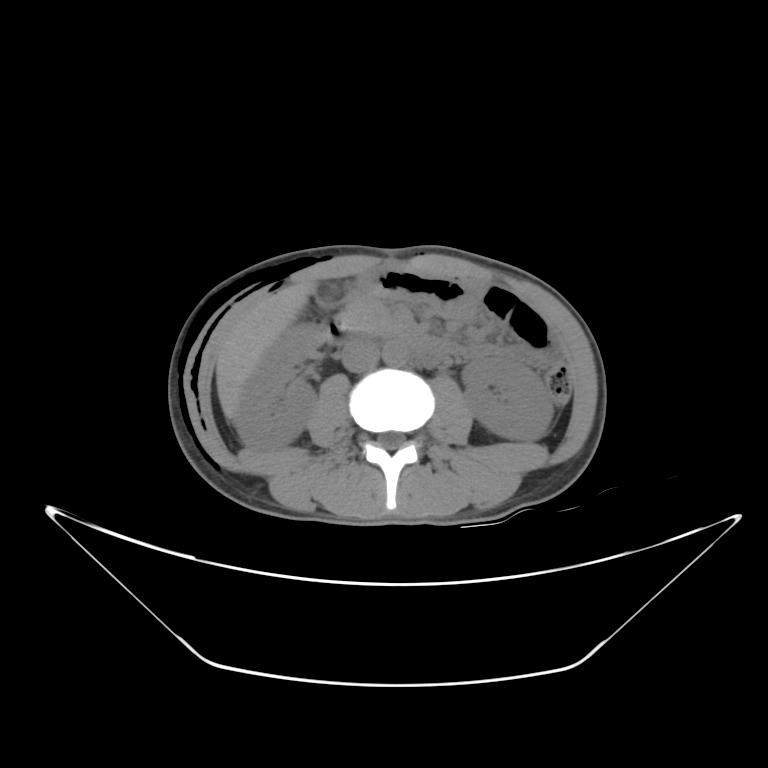 Computed tomography, abdomen. axial plane, index 54. abdomen soft-tissue window. 768x768 px
Coordinates as <box>x1,y1,x2,y2</box> in pixels. 8 labeled organs on this slice — pancreas at <box>338,299,404,341</box>; aorta at <box>383,342,408,364</box>; right kidney at <box>239,323,327,450</box>; stomach at <box>359,266,484,316</box>; liver at <box>215,279,309,419</box>; duodenum at <box>321,315,450,371</box>; left kidney at <box>463,354,553,443</box>; inferior vena cava at <box>342,343,381,373</box>.